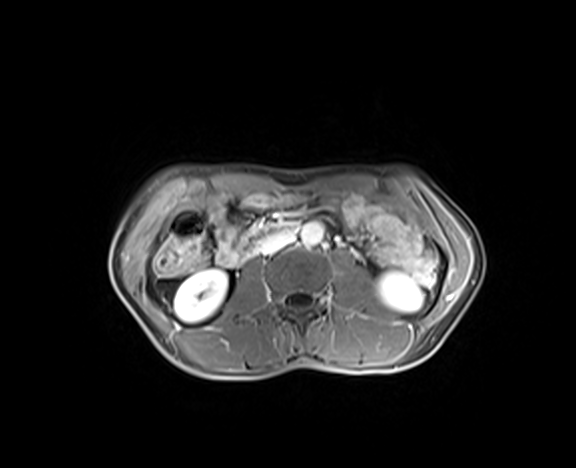
Abdominal MRI — axial view — 13 organs annotated in this scan (counted over the whole 3D scan, not this slice; an organ is boxed only where this slice passes through it)
Bounding boxes as [x1, y1, x2, y2] in pixel coordinates.
Organ bounding boxes:
- right kidney: [174, 269, 228, 322]
- left kidney: [377, 271, 423, 311]
- aorta: [301, 222, 323, 246]
- inferior vena cava: [257, 230, 295, 254]
- duodenum: [231, 221, 299, 264]